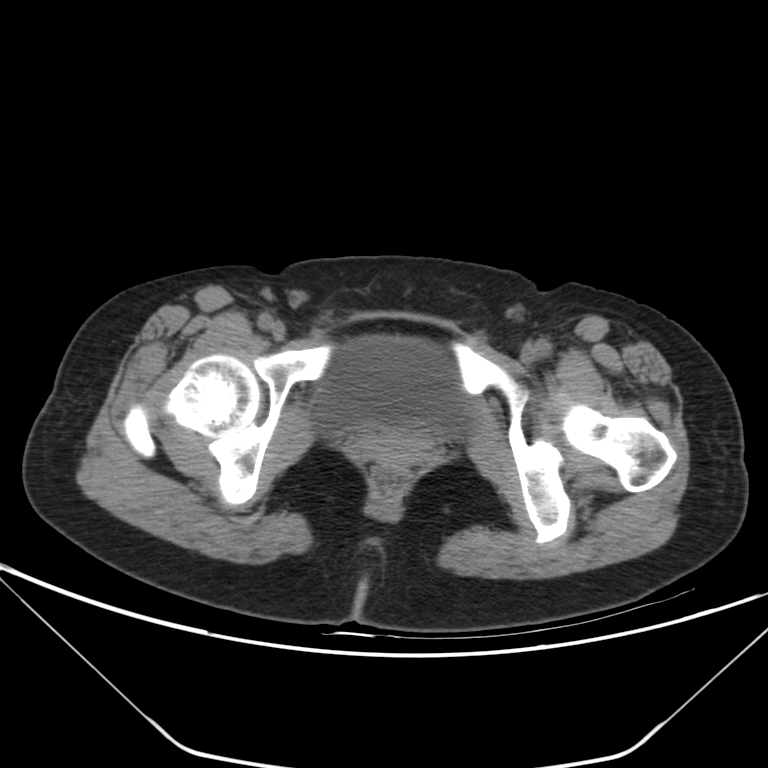

CT abdomen; Axial slice 5/90; abdomen soft-tissue window; Brilliance16 scanner
Box edges are left/top/right/bottom in pixels. Labeled organs on this slice: bladder at left=309, top=335, right=469, bottom=439.